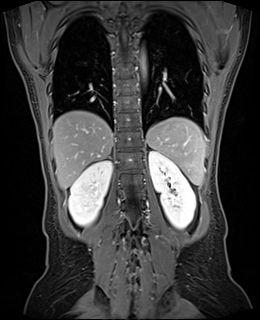

Abdominal MRI — Coronal slice 47/144
Organ boxes in pixel coordinates; each row gives the top-left (x1, y1) and bottom-right (x2, y2) corners.
| organ | x1 | y1 | x2 | y2 |
|---|---|---|---|---|
| right adrenal gland | 108 | 156 | 111 | 157 |
| spleen | 146 | 118 | 205 | 184 |
| liver | 52 | 111 | 113 | 189 |
| right kidney | 68 | 160 | 112 | 225 |
| aorta | 140 | 53 | 146 | 74 |
| left kidney | 149 | 150 | 195 | 228 |